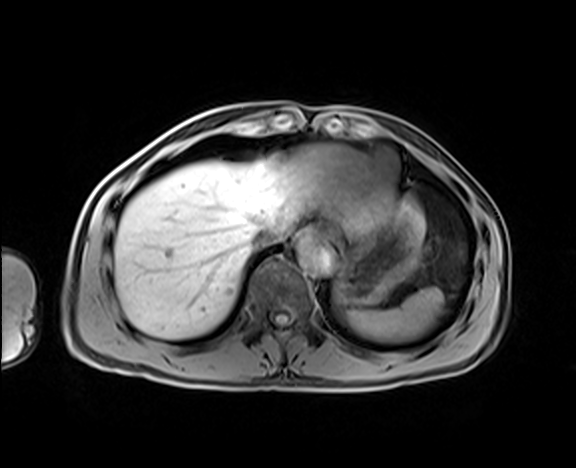

Abdominal MRI; axial view; 576x468 px; 13 organs annotated in this scan (a whole-scan count: organs this slice does not pass through have no box)
Bounding boxes as [x1, y1, x2, y2] in pixel coordinates.
Organ bounding boxes:
- spleen: [347, 288, 443, 341]
- esophagus: [298, 228, 316, 240]
- liver: [114, 160, 428, 338]
- stomach: [334, 211, 421, 305]
- aorta: [298, 239, 331, 271]
- inferior vena cava: [250, 225, 284, 248]